CT, abdomen/pelvis. Axial slice 27/235. W/L 400/40 HU. 512x512 px
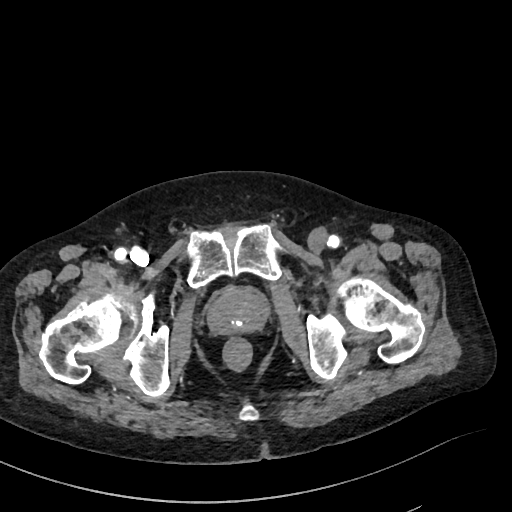 Bounding boxes as [x1, y1, x2, y2] in pixel coordinates.
Organ bounding boxes:
- prostate/uterus: [207, 289, 267, 334]